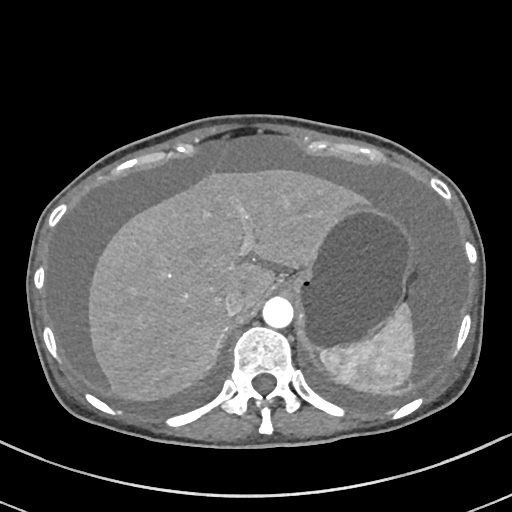 CT abdomen · axial plane, index 187 · W/L 400/40 HU
Bounding boxes as [x1, y1, x2, y2] in pixel coordinates.
Organ bounding boxes:
- spleen: [320, 302, 414, 392]
- liver: [89, 169, 364, 400]
- stomach: [285, 205, 409, 351]
- aorta: [263, 297, 293, 328]
- inferior vena cava: [224, 288, 247, 317]